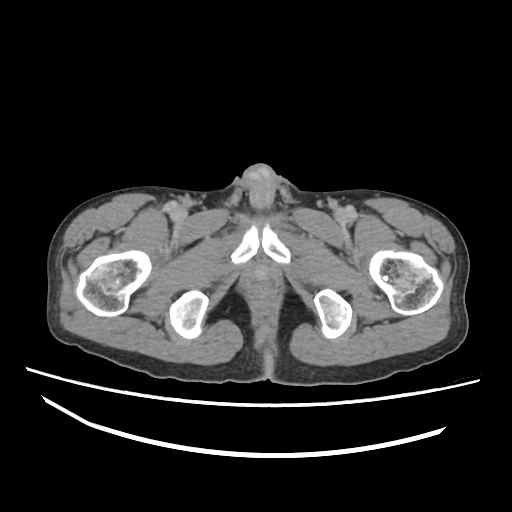

CT, abdomen/pelvis · axial plane, index 14 · soft-tissue window (W 400 / L 40) · 512x512 px · 40-year-old male patient
Bounding boxes in pixels, one row per box: x1, y1 is the top-left corner and x2, y2 the bottom-right.
| organ | x1 | y1 | x2 | y2 |
|---|---|---|---|---|
| prostate/uterus | 250 | 262 | 274 | 286 |